Lower-chest slice from an abdominal CT, just above the liver and spleen · axial view
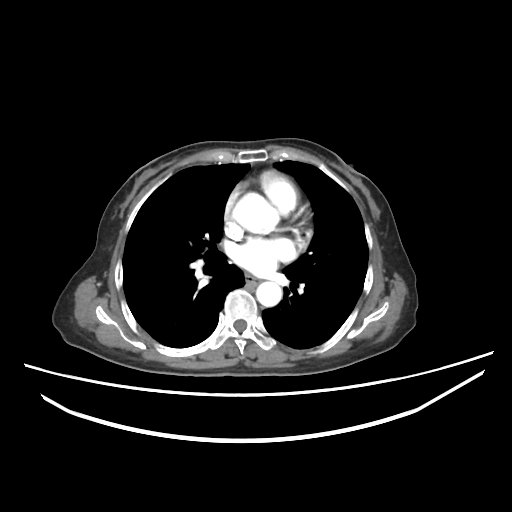
The heart and lungs are never labeled in this dataset, so they have no box on this slice. Box edges are left/top/right/bottom in pixels. Labeled organs on this slice: esophagus at left=244, top=275, right=258, bottom=286, aorta at left=233, top=193, right=276, bottom=233, aorta at left=256, top=282, right=280, bottom=306.